CT, abdomen/pelvis — axial plane, index 62 — acquired on SOMATOM Force
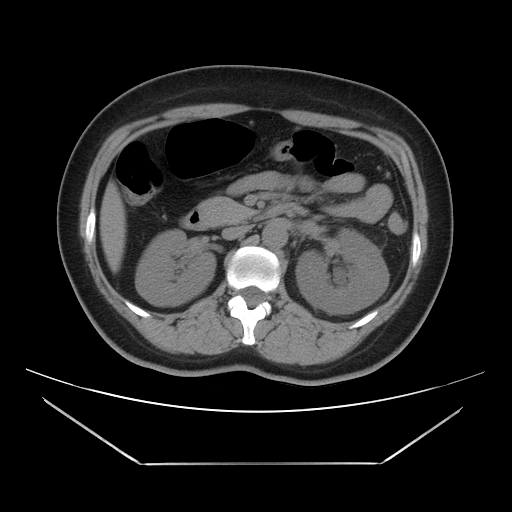 <organs><organ name="inferior vena cava" x1="222" y1="225" x2="250" y2="239"/><organ name="left kidney" x1="296" y1="229" x2="389" y2="314"/><organ name="duodenum" x1="181" y1="202" x2="307" y2="230"/><organ name="right kidney" x1="135" y1="229" x2="215" y2="305"/><organ name="liver" x1="99" y1="180" x2="126" y2="272"/><organ name="pancreas" x1="198" y1="197" x2="255" y2="225"/><organ name="aorta" x1="262" y1="223" x2="287" y2="247"/></organs>